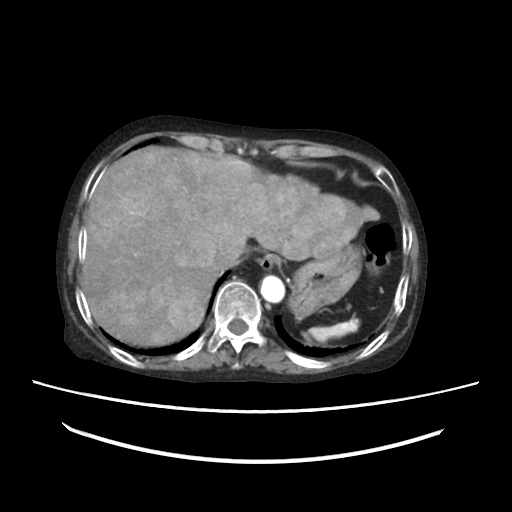 Abdominal CT · axial view · 15 organs annotated in this scan (that count is for the whole scan; organs this slice misses have no box)
Each box given as x1,y1,x2,y2. Labeled organs on this slice: esophagus at x1=257, y1=254, x2=281, y2=270, stomach at x1=289, y1=243, x2=362, y2=320, spleen at x1=307, y1=318, x2=359, y2=341, inferior vena cava at x1=215, y1=247, x2=241, y2=268, aorta at x1=260, y1=277, x2=284, y2=300, liver at x1=80, y1=146, x2=381, y2=345.